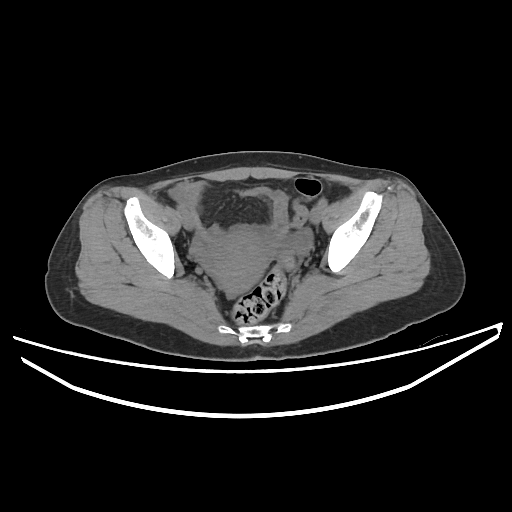

Abdominal CT; axial view; abdomen soft-tissue window
{"organs":{"prostate/uterus":[207,232,269,293]}}